Abdominal CT reaching into the chest; this slice is in the chest. axial view. 62-year-old male patient
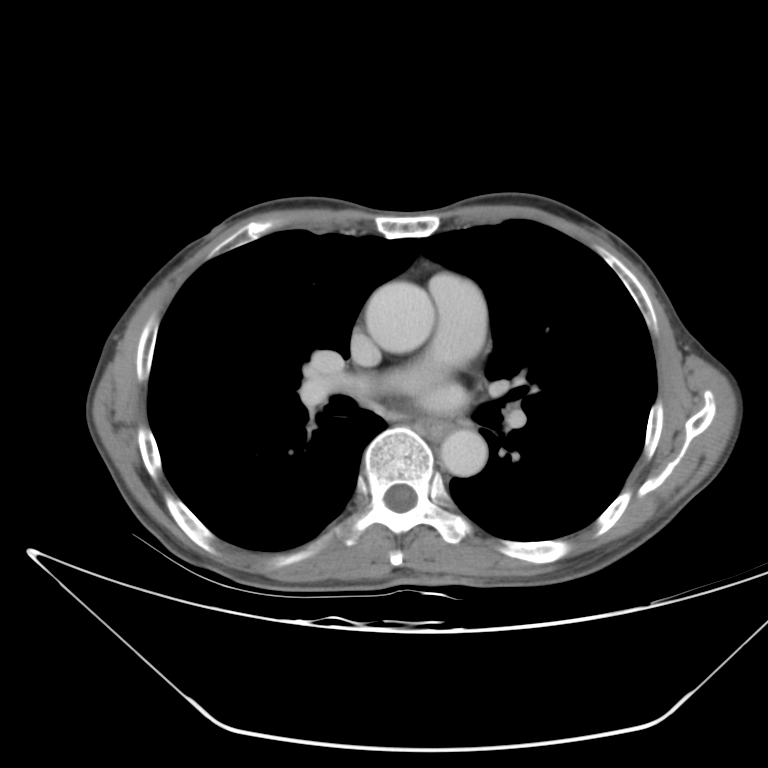

At this level of the chest no structure but the esophagus and the aorta has a label in this dataset, and those two are boxed only where they are labeled.
Coordinates as <box>x1,y1,x2,y2</box> in pixels.
esophagus: <box>415,418,452,441</box>
aorta: <box>367,282,434,354</box>
aorta: <box>441,431,487,479</box>